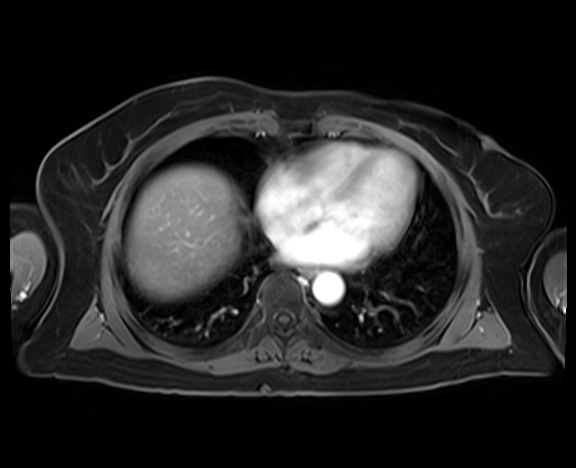

Abdominal MRI; axial plane, index 66; Prisma scanner; scan has 13 labeled organs (a whole-scan count: organs this slice does not pass through have no box)
{"organs":{"esophagus":[300,267,316,278],"aorta":[312,273,343,304],"liver":[126,166,246,300]}}